CT, abdomen/pelvis; axial view; abdomen soft-tissue window; 58-year-old male patient
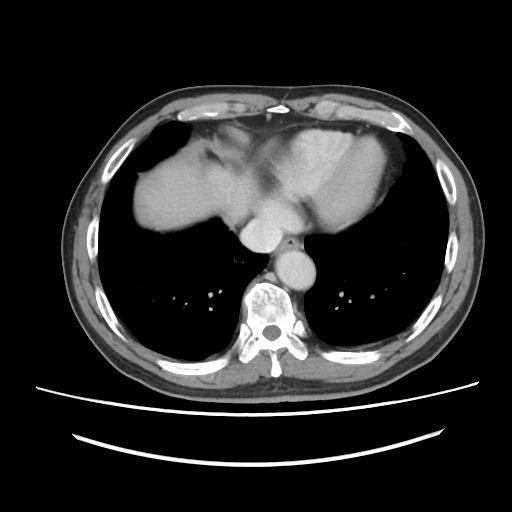
Box edges are left/top/right/bottom in pixels.
Organ bounding boxes:
- esophagus: left=276, top=237, right=300, bottom=255
- aorta: left=275, top=250, right=315, bottom=289
- liver: left=135, top=159, right=256, bottom=229
- inferior vena cava: left=240, top=219, right=282, bottom=252